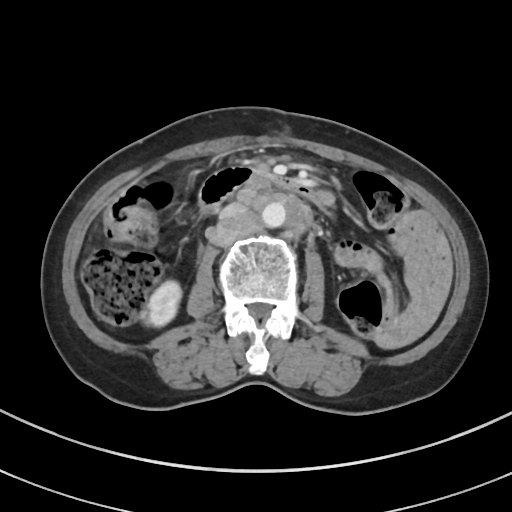

Abdominal CT · axial view · abdomen soft-tissue window · SOMATOM Force scanner
<organs><organ name="right kidney" x1="143" y1="281" x2="181" y2="326"/><organ name="aorta" x1="261" y1="202" x2="286" y2="227"/><organ name="inferior vena cava" x1="220" y1="202" x2="247" y2="218"/><organ name="duodenum" x1="199" y1="167" x2="325" y2="211"/></organs>